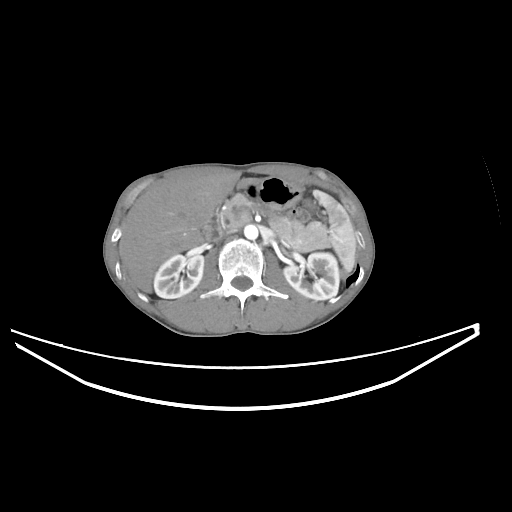
Abdominal CT — axial view
Boxes: x1 y1 x2 y2 (pixel coords, space-separated).
Organ bounding boxes:
- spleen: 312 190 356 272
- right kidney: 154 254 204 298
- left kidney: 283 252 339 300
- liver: 119 174 258 292
- stomach: 245 176 302 210
- aorta: 244 224 258 239
- inferior vena cava: 212 229 237 240
- pancreas: 219 194 329 251
- left adrenal gland: 281 246 292 257
- duodenum: 202 200 228 240